CT, abdomen/pelvis; axial view; 512x512 px
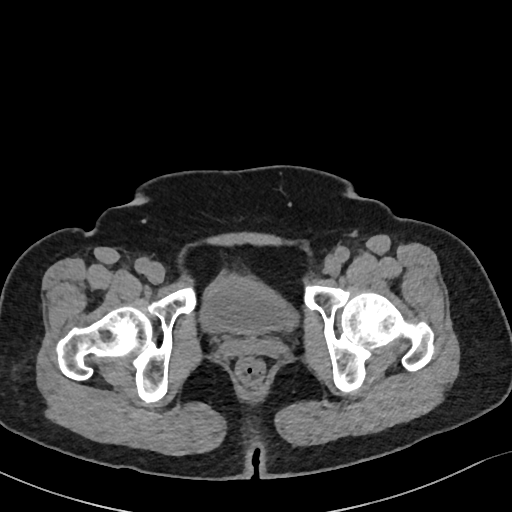

Each box given as x1,y1,x2,y2.
Organ bounding boxes:
- bladder: x1=201, y1=272, x2=293, y2=333